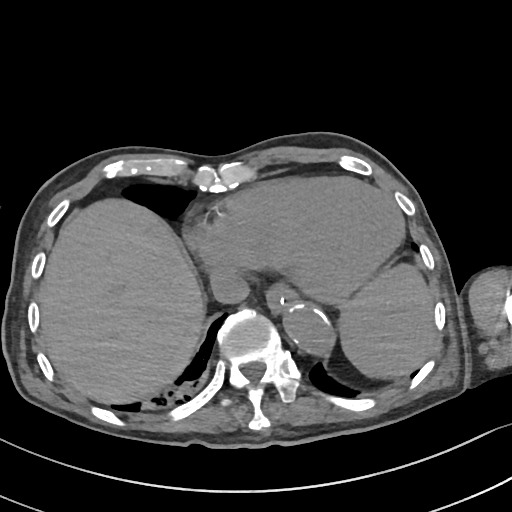
CT abdomen · axial plane, index 181 · W/L 400/40 HU · 512x512 px · 15 organs annotated in this scan (that count is for the whole scan; organs this slice misses have no box)
Boxes are (x1, y1, x2, y2) in pixels. The annotated organs in this slice are: spleen at (339, 265, 435, 378), esophagus at (266, 285, 299, 313), liver at (39, 199, 204, 403), aorta at (282, 302, 333, 353), inferior vena cava at (210, 268, 249, 303).